Magnetic resonance imaging, abdomen — Axial slice 10/72 — 13 organs annotated in this scan (counted over the whole 3D scan, not this slice; an organ is boxed only where this slice passes through it)
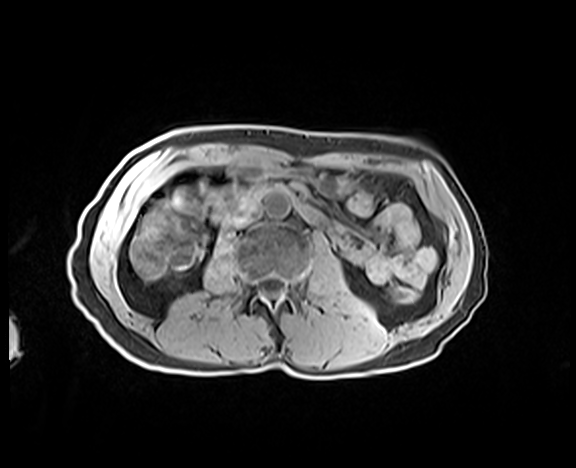

{"organs":{"aorta":[264,193,290,218],"inferior vena cava":[228,207,259,227],"duodenum":[210,183,326,225]}}